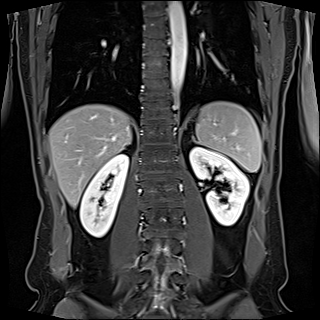

Abdominal MR — Coronal slice 23/60 — Prisma scanner
Bounding boxes as [x1, y1, x2, y2] in pixel coordinates.
Organ bounding boxes:
- liver: [49, 104, 131, 206]
- left adrenal gland: [192, 138, 198, 143]
- left kidney: [190, 146, 249, 225]
- right adrenal gland: [129, 140, 131, 144]
- right kidney: [80, 154, 128, 236]
- spleen: [196, 101, 261, 172]
- aorta: [169, 1, 187, 94]